Abdominal CT; axial view
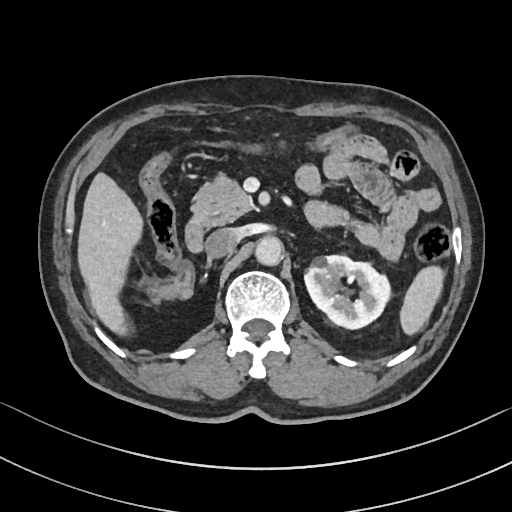 Coordinates as <box>x1,y1,x2,y2</box> in pixels.
duodenum: <box>185,215,208,252</box>
pancreas: <box>191,173,252,225</box>
liver: <box>77,172,142,335</box>
aorta: <box>255,236,283,266</box>
left kidney: <box>304,255,390,329</box>
spleen: <box>399,266,445,334</box>
inferior vena cava: <box>205,228,239,258</box>